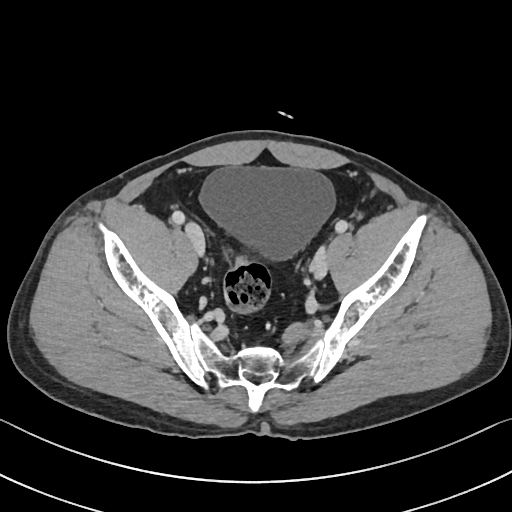
Abdominal CT · axial view · 512x512 px · scan has 15 labeled organs (a whole-scan count: organs this slice does not pass through have no box)
<organs><organ name="bladder" x1="199" y1="166" x2="335" y2="259"/></organs>